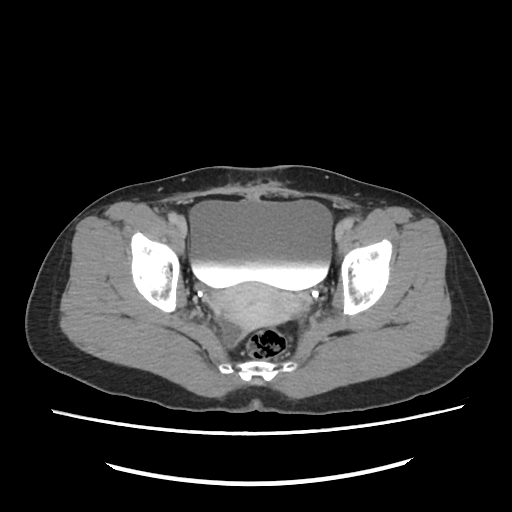 Abdominal CT. axial plane, index 17. W/L 400/40 HU. 50-year-old female patient
Boxes: x1:y1:x2:y2 in pixels.
Organ bounding boxes:
- bladder: 189:200:333:292
- prostate/uterus: 203:284:313:348